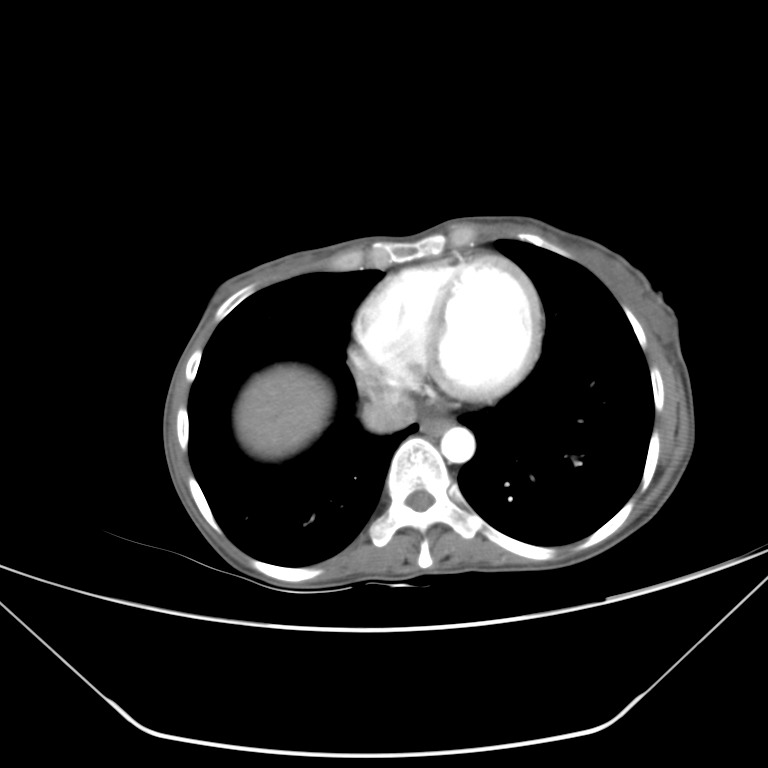

CT, abdomen/pelvis. axial view. 768x768 px. 32-year-old female patient. scan has 15 labeled organs (a whole-scan count: organs this slice does not pass through have no box)
{"organs":{"esophagus":[422,417,450,435],"liver":[235,365,331,458],"aorta":[440,427,475,462],"inferior vena cava":[362,393,416,432]}}